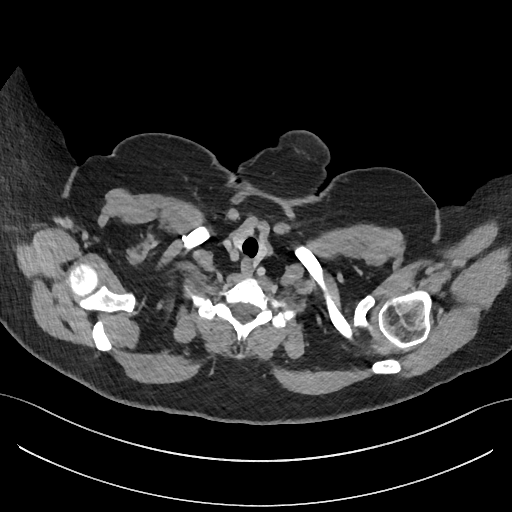
Chest-level slice from an abdominal CT that extends up into the chest — axial plane, index 296 — 512x512 px
At this level of the chest this dataset labels only the esophagus and the aorta, and each is boxed only where it is labeled; the heart and lungs are never labeled.
{"organs":{"esophagus":[240,260,252,276]}}